Lower-chest slice from an abdominal CT, just above the liver and spleen. axial view. 512x512 px. 59-year-old male patient
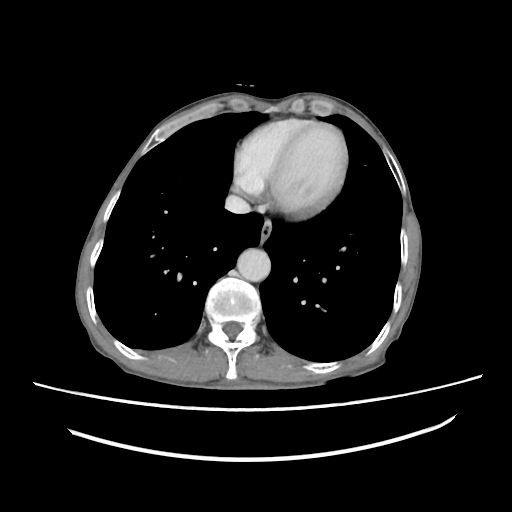

Of the structures in the chest, this dataset labels only the esophagus, the aorta and the inferior vena cava; the heart and lungs have no label.
Boxes are (x1, y1, x2, y2) in pixels.
Organ bounding boxes:
- esophagus: (260, 220, 271, 240)
- aorta: (237, 248, 270, 281)
- inferior vena cava: (225, 195, 250, 213)